Abdominal CT; this slice is in the lower chest, just above the liver; axial view; 63-year-old female patient; acquired on Brilliance16
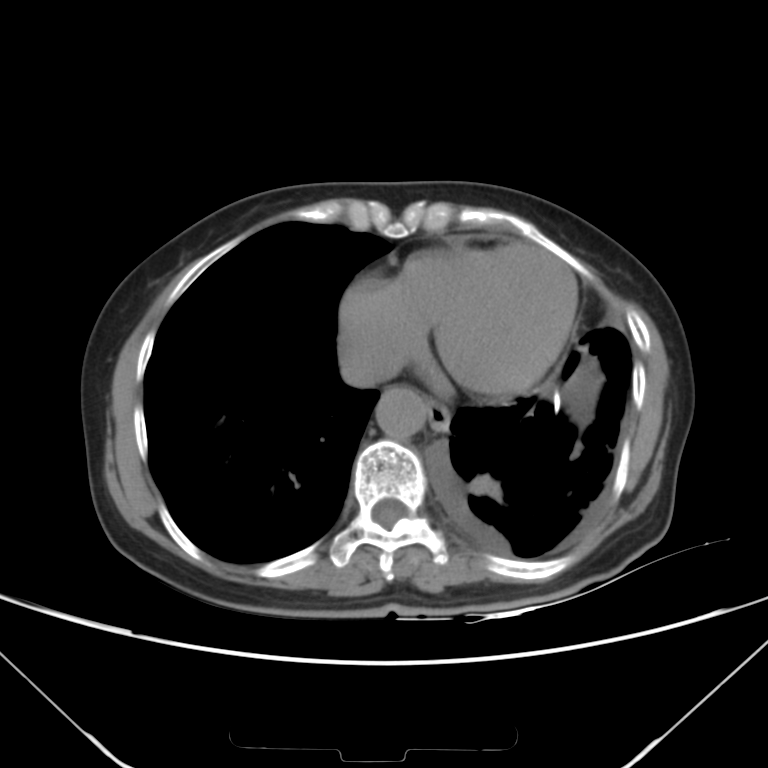

The heart and lungs are never labeled in this dataset, so they have no box on this slice.
{"organs":{"esophagus":[428,401,451,432],"aorta":[375,387,427,439],"inferior vena cava":[340,351,390,386]}}